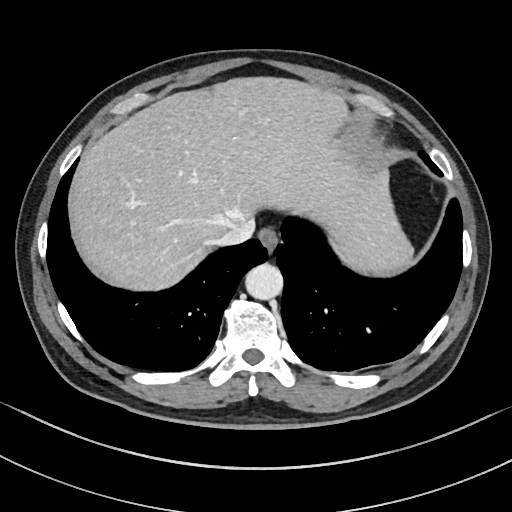 CT, abdomen/pelvis — Axial slice 200/232 — soft-tissue window — 512x512 px
Boxes: x1 y1 x2 y2 (pixel coords, space-separated). 4 labeled organs on this slice — esophagus at 257 226 278 251; aorta at 244 264 282 300; inferior vena cava at 216 224 252 247; liver at 66 75 413 288.